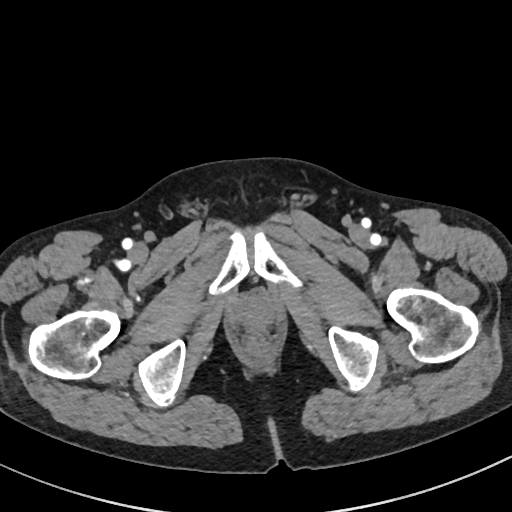
Computed tomography, abdomen. axial view. 512x512 px
{"organs":{"prostate/uterus":[240,295,272,329]}}